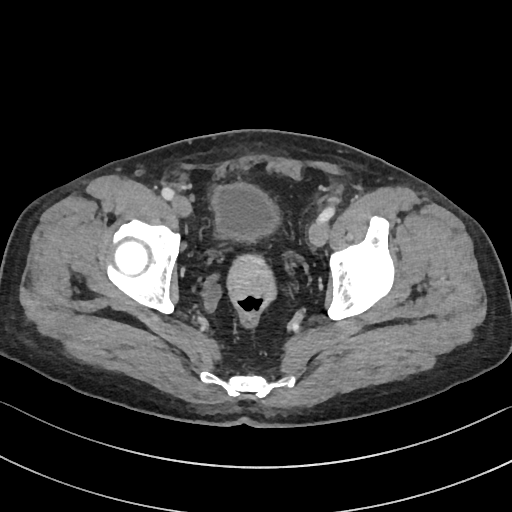

CT abdomen — axial plane, index 53 — abdomen soft-tissue window — scan has 14 labeled organs (that count is for the whole scan; organs this slice misses have no box)
Bounding boxes as [x1, y1, x2, y2] in pixel coordinates. Labeled organs on this slice: bladder at [212, 183, 279, 240].